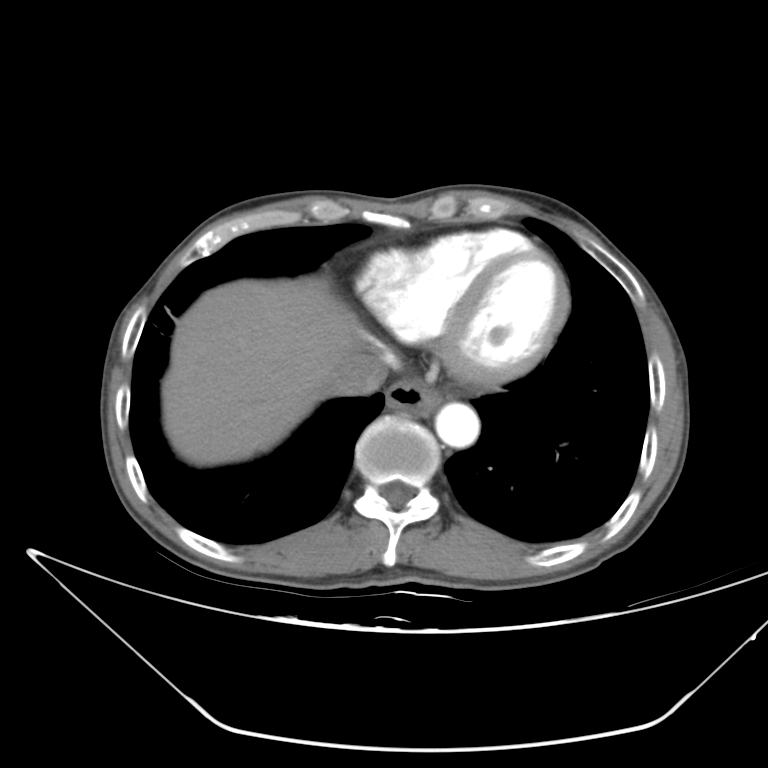
CT abdomen. axial view. 62-year-old male patient
Each box given as x1,y1,x2,y2.
inferior vena cava: x1=323, y1=354, x2=386, y2=396
esophagus: x1=386, y1=379, x2=445, y2=415
aorta: x1=435, y1=402, x2=479, y2=447
liver: x1=162, y1=276, x2=363, y2=465